CT abdomen; axial view; soft-tissue window; acquired on SOMATOM Force
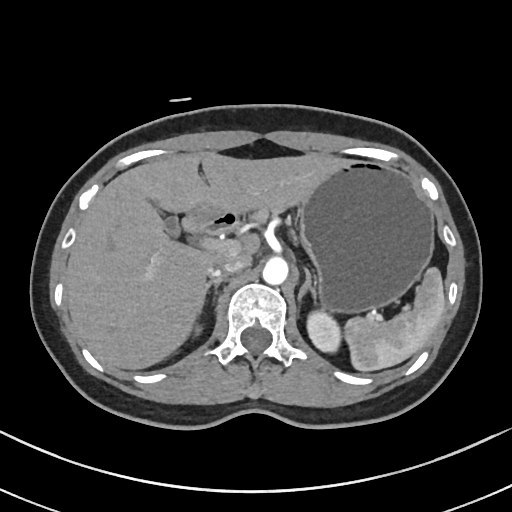
<organs><organ name="spleen" x1="345" y1="267" x2="445" y2="371"/><organ name="right kidney" x1="196" y1="327" x2="200" y2="333"/><organ name="left kidney" x1="307" y1="311" x2="340" y2="352"/><organ name="gall bladder" x1="164" y1="216" x2="180" y2="235"/><organ name="liver" x1="65" y1="151" x2="348" y2="369"/><organ name="stomach" x1="189" y1="160" x2="434" y2="312"/><organ name="aorta" x1="263" y1="257" x2="288" y2="284"/><organ name="inferior vena cava" x1="208" y1="256" x2="250" y2="277"/><organ name="pancreas" x1="252" y1="208" x2="273" y2="221"/><organ name="right adrenal gland" x1="198" y1="276" x2="226" y2="330"/><organ name="left adrenal gland" x1="297" y1="268" x2="315" y2="303"/><organ name="duodenum" x1="181" y1="212" x2="238" y2="234"/></organs>